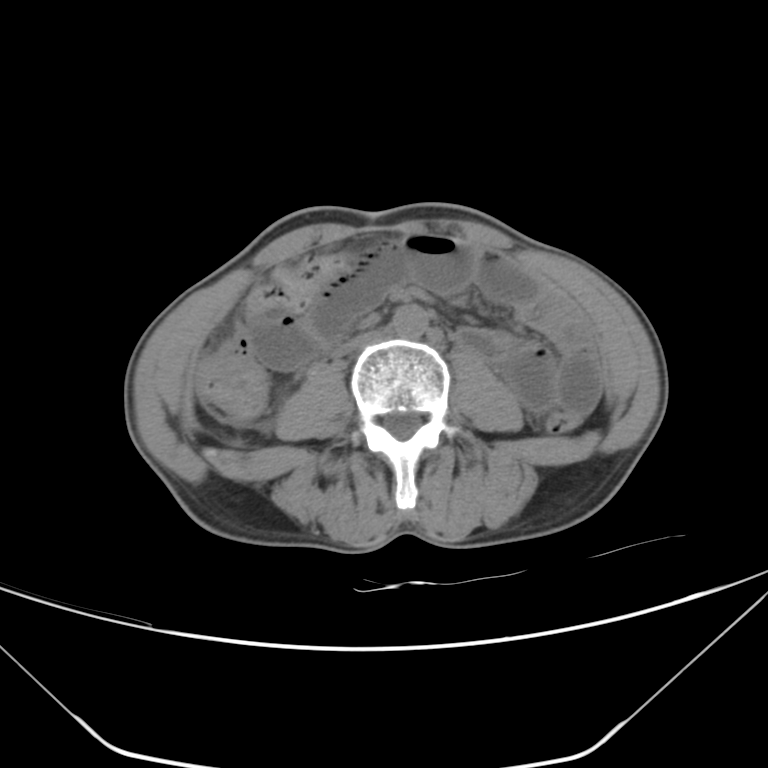 Abdominal CT; axial view; soft-tissue window (W 400 / L 40); 768x768 px
<organs><organ name="aorta" x1="392" y1="304" x2="428" y2="338"/><organ name="inferior vena cava" x1="334" y1="329" x2="388" y2="356"/></organs>